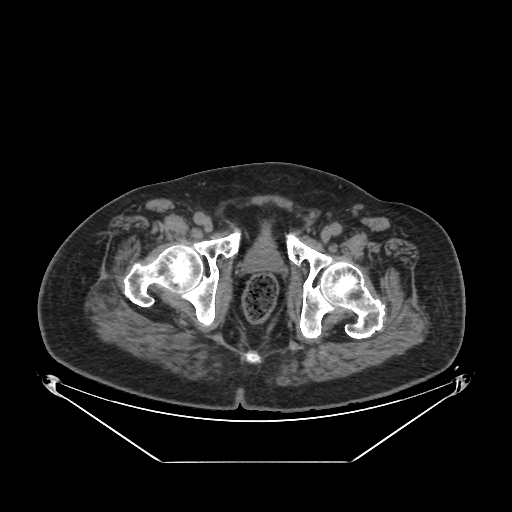
CT, abdomen/pelvis. Axial slice 33/353. 512x512 px
Bounding boxes as [x1, y1, x2, y2] in pixel coordinates.
Organ bounding boxes:
- bladder: [245, 265, 249, 267]
- prostate/uterus: [245, 245, 278, 270]